Computed tomography, abdomen — axial plane, index 5
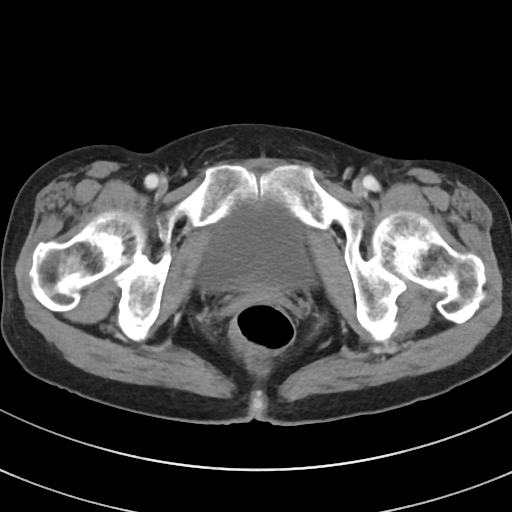
{"organs":{"bladder":[200,198,313,290]}}